CT of the abdomen reaching into the lower chest, slice just above the liver and spleen; Axial slice 89/118
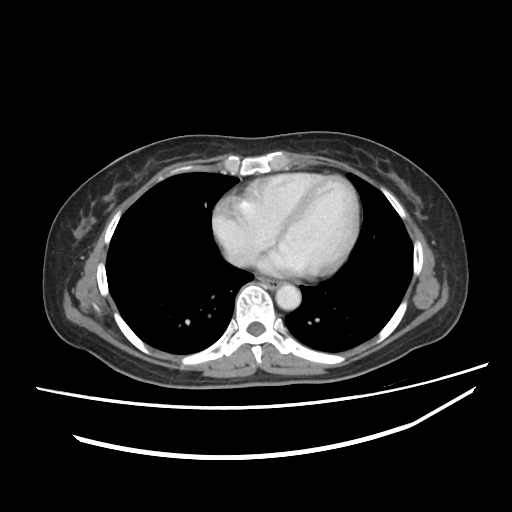
Of the structures in the chest, this dataset labels only the esophagus, the aorta and the inferior vena cava; the heart and lungs have no label.
<organs><organ name="aorta" x1="275" y1="284" x2="301" y2="310"/><organ name="esophagus" x1="259" y1="278" x2="281" y2="288"/></organs>